Abdominal CT — axial view — soft-tissue window — 768x768 px
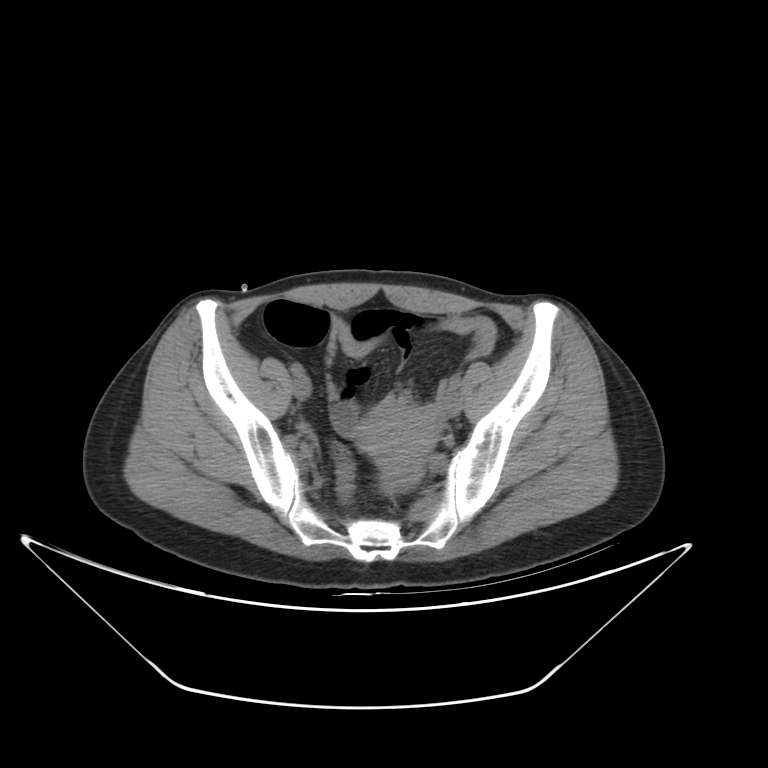
Each box given as x1,y1,x2,y2. Labeled organs on this slice: prostate/uterus at x1=380, y1=467, x2=421, y2=493.